CT abdomen; axial view; 768x768 px; 39-year-old female patient; 15 organs annotated in this scan (that count is for the whole scan; organs this slice misses have no box)
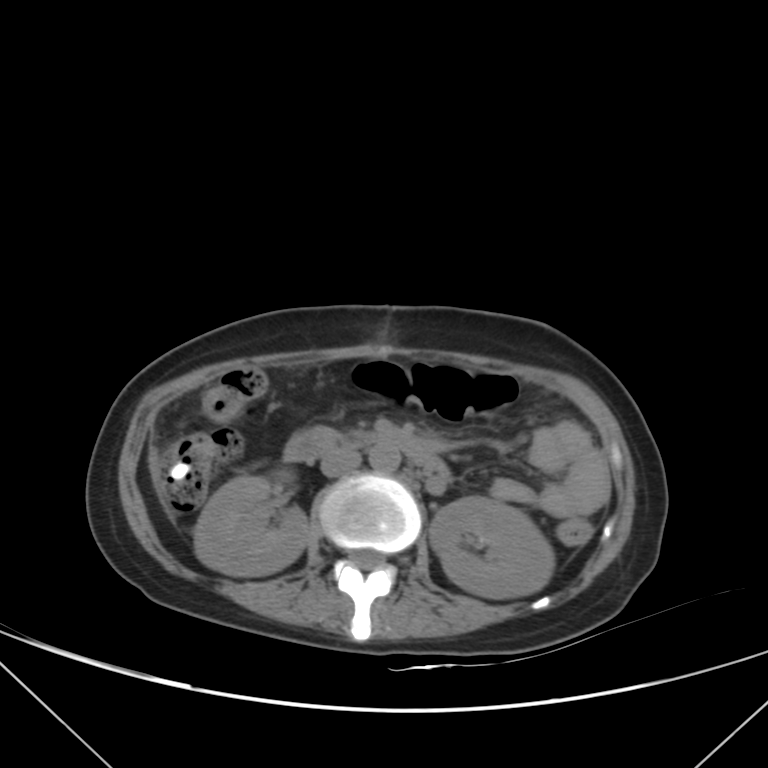
One row per box, in pixels: columns x1 and y1 give the top-left corner, x2 and y2 the bottom-right.
| organ | x1 | y1 | x2 | y2 |
|---|---|---|---|---|
| right kidney | 195 | 475 | 309 | 576 |
| left kidney | 428 | 496 | 554 | 598 |
| liver | 149 | 444 | 159 | 483 |
| aorta | 369 | 443 | 400 | 473 |
| inferior vena cava | 320 | 448 | 361 | 476 |
| duodenum | 283 | 428 | 449 | 478 |